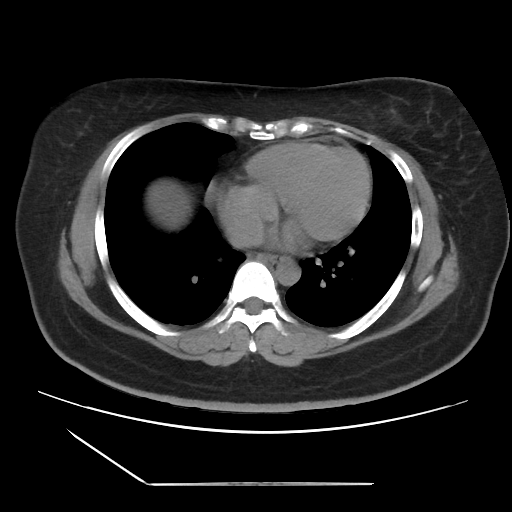
CT, abdomen/pelvis — axial view — W/L 400/40 HU — SOMATOM Force scanner
One row per box, in pixels: columns x1 and y1 give the top-left corner, x2 and y2 the bottom-right.
| organ | x1 | y1 | x2 | y2 |
|---|---|---|---|---|
| esophagus | 258 | 254 | 285 | 262 |
| inferior vena cava | 226 | 217 | 263 | 248 |
| aorta | 275 | 258 | 300 | 285 |
| liver | 151 | 191 | 186 | 223 |